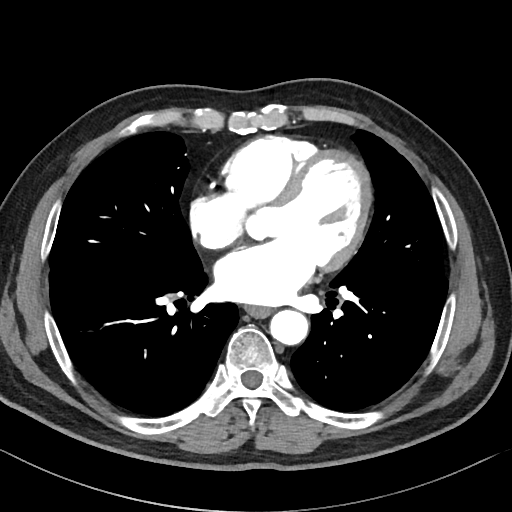
CT of the abdomen reaching into the lower chest, slice just above the liver and spleen — axial view
Of the structures in the chest, this dataset labels only the esophagus, the aorta and the inferior vena cava; the heart and lungs have no label.
Box edges are left/top/right/bottom in pixels.
esophagus: left=245, top=305, right=271, bottom=317
aorta: left=270, top=309, right=308, bottom=344